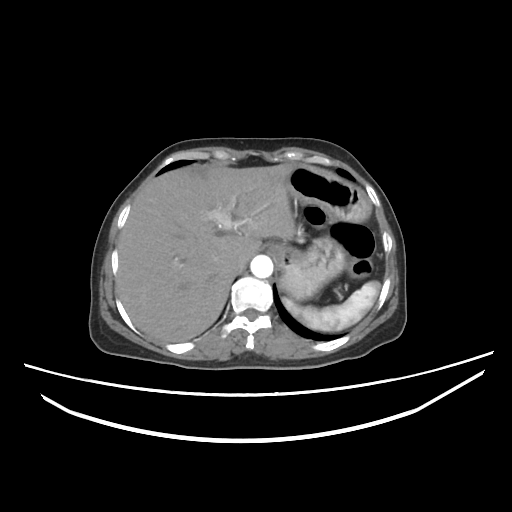

CT abdomen; axial view; W/L 400/40 HU; 63-year-old female patient
Organ boxes in pixel coordinates; each row gives the top-left (x1, y1) and bottom-right (x2, y2) corners.
| organ | x1 | y1 | x2 | y2 |
|---|---|---|---|---|
| inferior vena cava | 238 | 237 | 262 | 270 |
| liver | 116 | 164 | 295 | 341 |
| stomach | 279 | 166 | 370 | 299 |
| aorta | 251 | 254 | 273 | 278 |
| spleen | 280 | 281 | 382 | 332 |